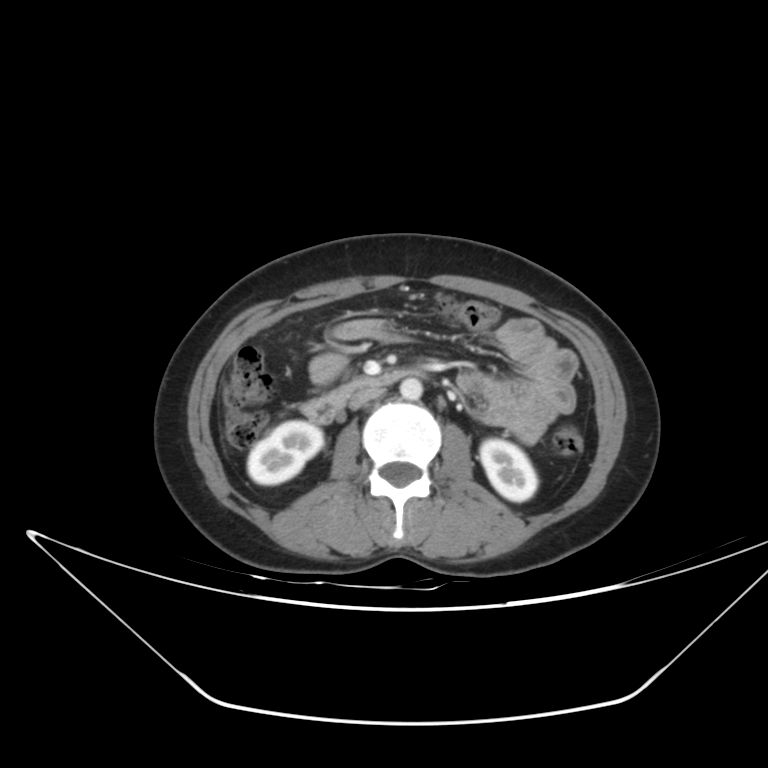

Computed tomography, abdomen — Axial slice 6/72 — soft-tissue window (W 400 / L 40) — 768x768 px — 34-year-old female patient — 13 organs annotated in this scan (a whole-scan count: organs this slice does not pass through have no box)
<organs><organ name="right kidney" x1="247" y1="420" x2="323" y2="485"/><organ name="left kidney" x1="480" y1="439" x2="537" y2="501"/><organ name="aorta" x1="400" y1="378" x2="422" y2="399"/><organ name="inferior vena cava" x1="349" y1="389" x2="381" y2="409"/><organ name="duodenum" x1="300" y1="370" x2="409" y2="423"/></organs>